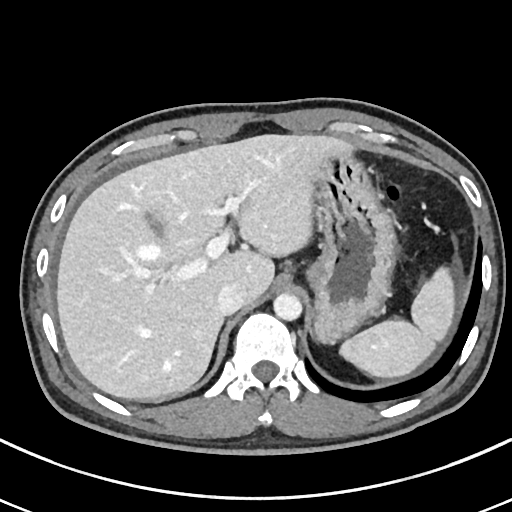

CT abdomen · axial plane, index 177 · soft-tissue window
Bounding boxes as [x1, y1, x2, y2] in pixel coordinates. The annotated organs in this slice are: spleen at [338, 265, 457, 379], gall bladder at [140, 206, 168, 241], liver at [56, 134, 348, 400], stomach at [309, 149, 396, 342], aorta at [272, 293, 301, 320], inferior vena cava at [216, 282, 245, 314].